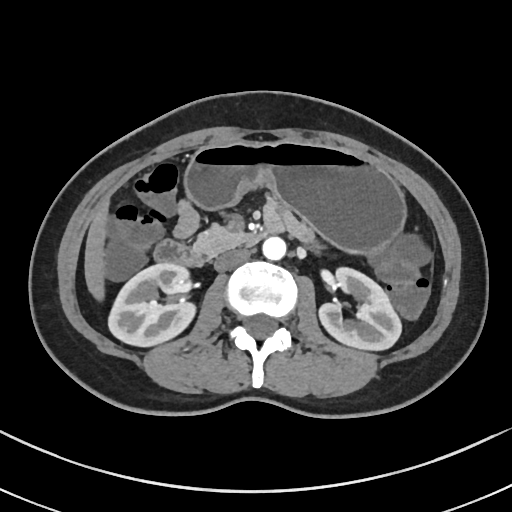 Computed tomography, abdomen · Axial slice 157/242 · 15 organs annotated in this scan (that count is for the whole scan; organs this slice misses have no box)
Box edges are left/top/right/bottom in pixels.
Organ bounding boxes:
- right kidney: left=108, top=262, right=192, bottom=345
- left kidney: left=320, top=266, right=400, bottom=349
- liver: left=84, top=203, right=107, bottom=295
- stomach: left=185, top=140, right=403, bottom=250
- aorta: left=262, top=236, right=286, bottom=259
- inferior vena cava: left=214, top=248, right=249, bottom=270
- pancreas: left=194, top=225, right=245, bottom=255
- duodenum: left=153, top=217, right=284, bottom=266